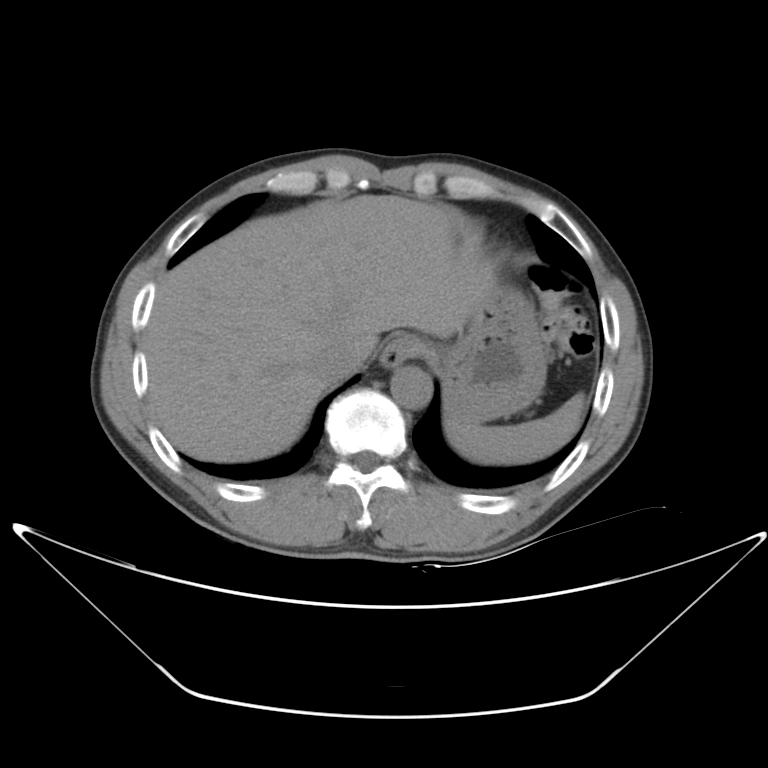

CT abdomen. axial view. abdomen soft-tissue window. 768x768 px. acquired on Brilliance16
<organs><organ name="spleen" x1="444" y1="392" x2="586" y2="464"/><organ name="esophagus" x1="379" y1="332" x2="424" y2="367"/><organ name="liver" x1="146" y1="194" x2="490" y2="462"/><organ name="stomach" x1="425" y1="278" x2="546" y2="424"/><organ name="aorta" x1="389" y1="365" x2="432" y2="407"/><organ name="inferior vena cava" x1="311" y1="343" x2="359" y2="378"/></organs>